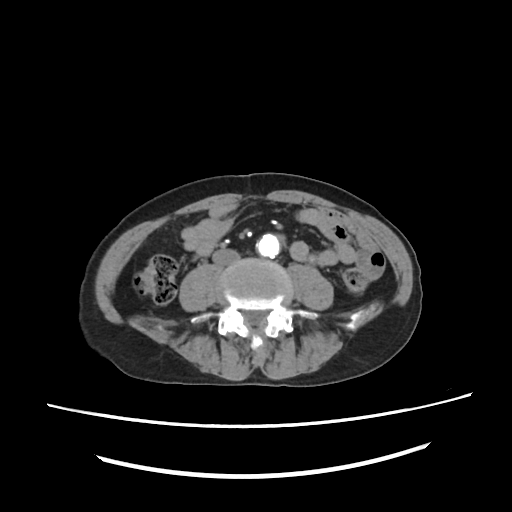

Abdominal CT. axial plane, index 48
Boxes: x1:y1:x2:y2 in pixels.
aorta: 257:232:279:258
inferior vena cava: 210:247:240:264